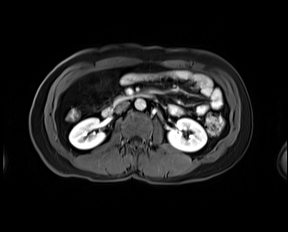 Abdominal MR; Axial slice 14/72; 288x232 px
<organs><organ name="right kidney" x1="69" y1="118" x2="105" y2="149"/><organ name="left kidney" x1="168" y1="118" x2="206" y2="151"/><organ name="aorta" x1="135" y1="99" x2="145" y2="110"/><organ name="inferior vena cava" x1="116" y1="102" x2="129" y2="112"/><organ name="duodenum" x1="102" y1="93" x2="151" y2="116"/></organs>